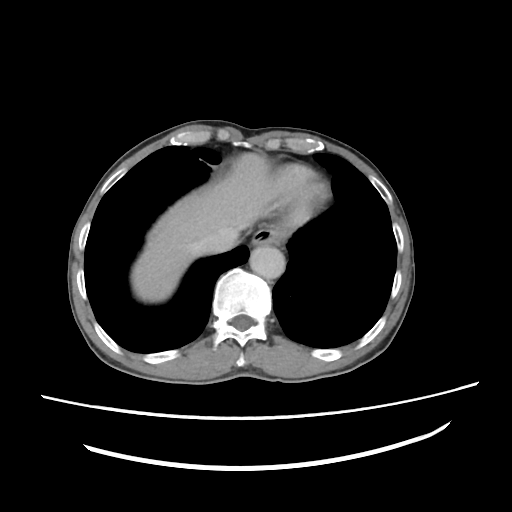
CT abdomen · axial view · 512x512 px
{"organs":{"esophagus":[251,229,281,247],"liver":[130,154,269,302],"aorta":[249,245,284,279],"inferior vena cava":[199,227,238,253]}}